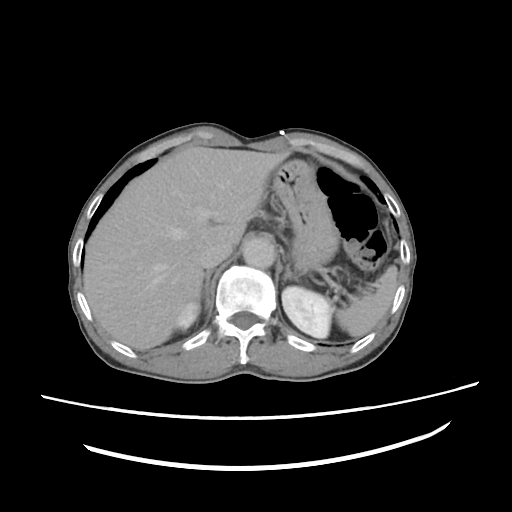

CT, abdomen/pelvis — axial view — soft-tissue window (W 400 / L 40) — 512x512 px — scan has 15 labeled organs (that count is for the whole scan; organs this slice misses have no box)
Bounding boxes in pixels, one row per box: x1, y1 is the top-left corner and x2, y2 the bottom-right.
| organ | x1 | y1 | x2 | y2 |
|---|---|---|---|---|
| spleen | 333 | 267 | 398 | 335 |
| right kidney | 180 | 305 | 198 | 327 |
| left kidney | 283 | 286 | 330 | 337 |
| liver | 82 | 146 | 290 | 350 |
| stomach | 271 | 160 | 338 | 271 |
| aorta | 241 | 238 | 275 | 268 |
| inferior vena cava | 197 | 240 | 233 | 268 |
| right adrenal gland | 203 | 271 | 211 | 311 |
| left adrenal gland | 282 | 265 | 300 | 283 |